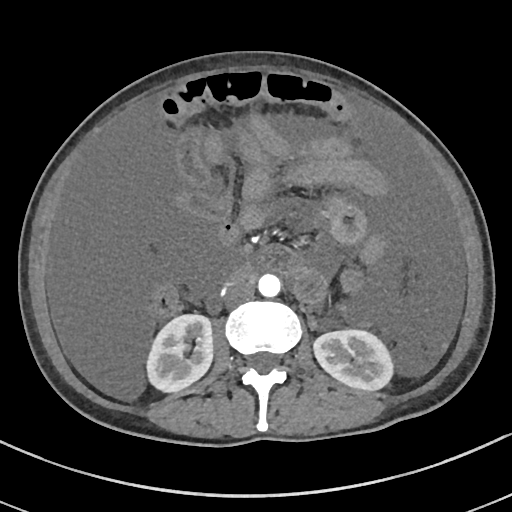
Abdominal CT · axial view
<organs><organ name="right kidney" x1="146" y1="314" x2="213" y2="391"/><organ name="left kidney" x1="314" y1="330" x2="393" y2="389"/><organ name="aorta" x1="258" y1="273" x2="281" y2="296"/><organ name="inferior vena cava" x1="224" y1="281" x2="253" y2="306"/></organs>